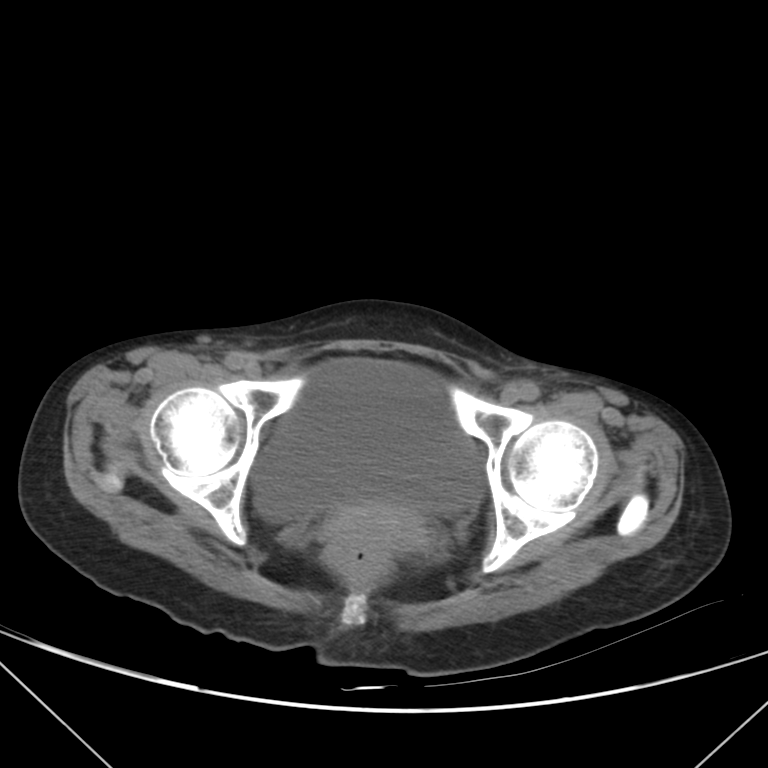

Computed tomography, abdomen — axial view — W/L 400/40 HU — 768x768 px
Coordinates as <box>x1,y1,x2,y2</box> in pixels.
Organ bounding boxes:
- bladder: <box>252,359,481,522</box>